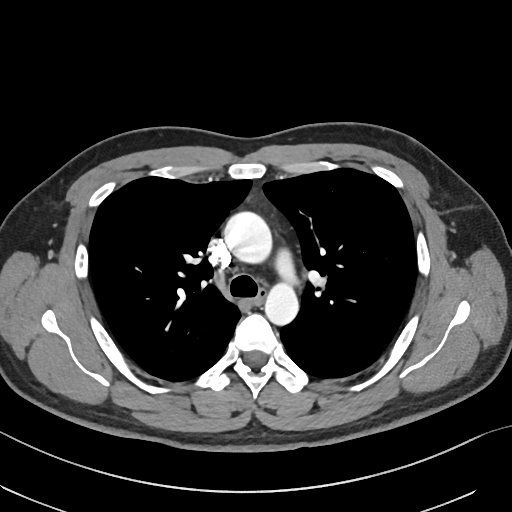
Chest-level slice from an abdominal CT that extends up into the chest. axial view
At this level of the chest this dataset labels only the esophagus and the aorta, and each is boxed only where it is labeled; the heart and lungs are never labeled.
Boxes are (x1, y1, x2, y2) in pixels.
esophagus: (251, 290, 265, 304)
aorta: (224, 210, 273, 262)
aorta: (264, 281, 298, 326)